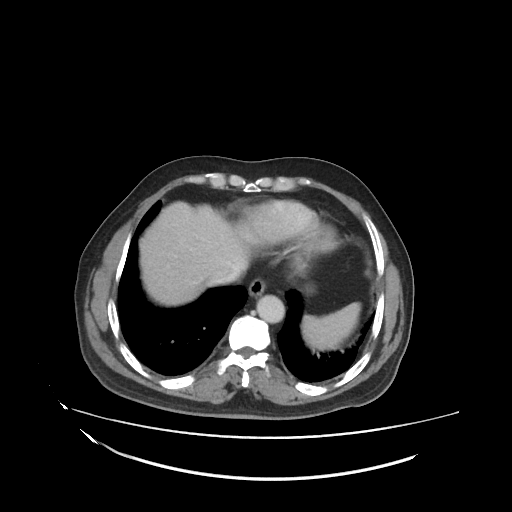 CT abdomen; axial plane, index 78; 66-year-old male patient
Organ boxes in pixel coordinates; each row gives the top-left (x1, y1) and bottom-right (x2, y2) corners.
| organ | x1 | y1 | x2 | y2 |
|---|---|---|---|---|
| spleen | 301 | 301 | 360 | 350 |
| esophagus | 249 | 278 | 267 | 297 |
| liver | 139 | 202 | 249 | 305 |
| stomach | 309 | 287 | 313 | 289 |
| aorta | 257 | 295 | 284 | 323 |
| inferior vena cava | 207 | 265 | 240 | 284 |